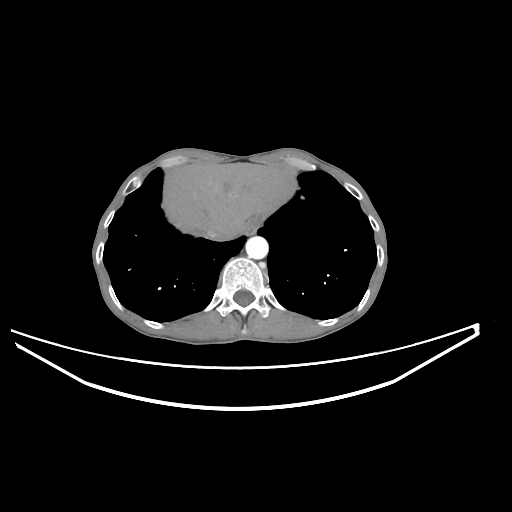
Abdominal CT · axial view · 512x512 px · 60-year-old male patient
Boxes: x1 y1 x2 y2 (pixel coords, space-separated).
liver: 162 163 285 238
inferior vena cava: 205 223 229 241
esophagus: 244 218 259 234
aorta: 245 236 268 259